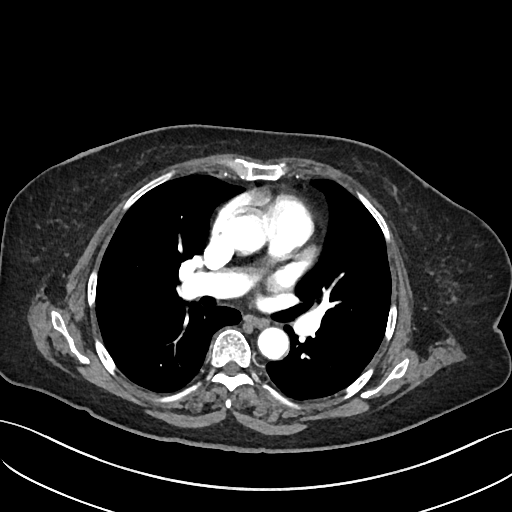
Chest-level slice from an abdominal CT that extends up into the chest. axial view. soft-tissue window. 512x512 px. SOMATOM Force scanner
On a slice this high in the chest, this dataset labels only the esophagus and the aorta, and each is boxed only where it is labeled; the heart, lungs and other chest structures are not labeled.
<organs><organ name="esophagus" x1="246" y1="316" x2="267" y2="327"/><organ name="aorta" x1="222" y1="213" x2="265" y2="254"/><organ name="aorta" x1="257" y1="328" x2="288" y2="360"/></organs>